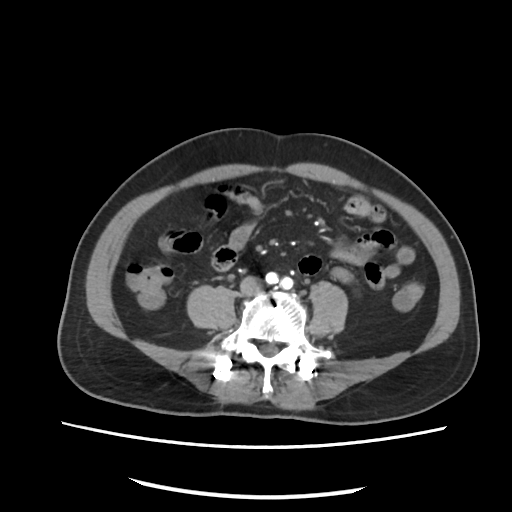 Abdominal CT · axial view · 15 organs annotated in this scan (a whole-scan count: organs this slice does not pass through have no box)
Boxes: x1 y1 x2 y2 (pixel coords, space-separated).
Organ bounding boxes:
- inferior vena cava: 240 276 262 294